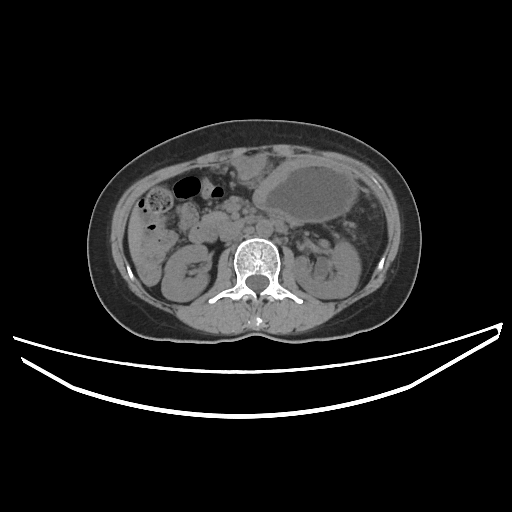

Computed tomography, abdomen. axial view. soft-tissue window (W 400 / L 40). 50-year-old female patient
Bounding boxes in pixels, one row per box: x1, y1 is the top-left corner and x2, y2 the bottom-right.
| organ | x1 | y1 | x2 | y2 |
|---|---|---|---|---|
| right kidney | 161 | 244 | 208 | 301 |
| left kidney | 292 | 241 | 360 | 298 |
| liver | 128 | 206 | 143 | 265 |
| stomach | 254 | 161 | 357 | 223 |
| aorta | 256 | 220 | 272 | 237 |
| inferior vena cava | 220 | 226 | 241 | 241 |
| pancreas | 202 | 212 | 227 | 223 |
| duodenum | 189 | 215 | 261 | 242 |